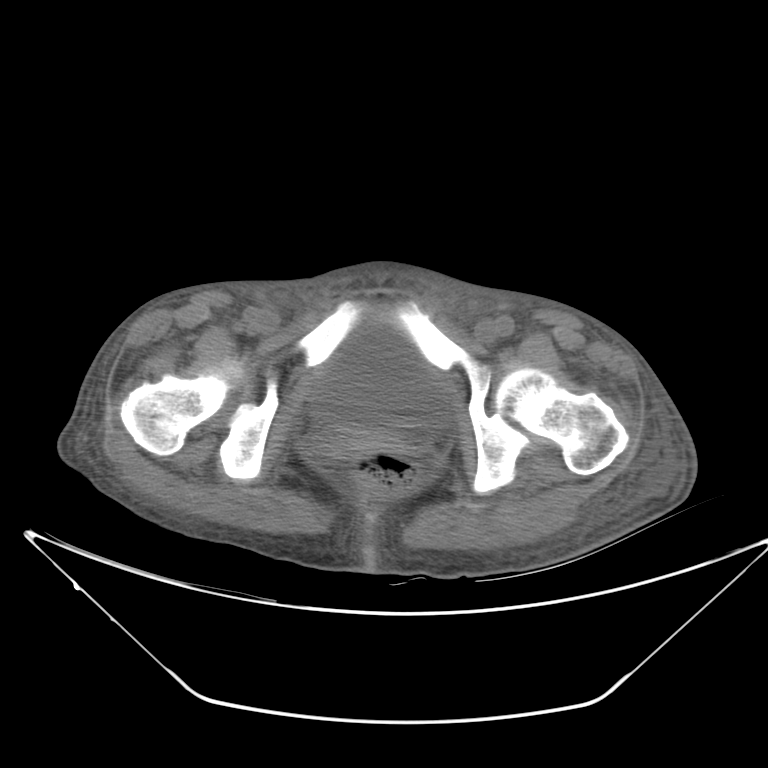
CT, abdomen/pelvis · Axial slice 14/105 · W/L 400/40 HU · scan has 15 labeled organs (that count is for the whole scan; organs this slice misses have no box)
<organs><organ name="bladder" x1="311" y1="324" x2="451" y2="429"/><organ name="prostate/uterus" x1="342" y1="439" x2="365" y2="454"/></organs>